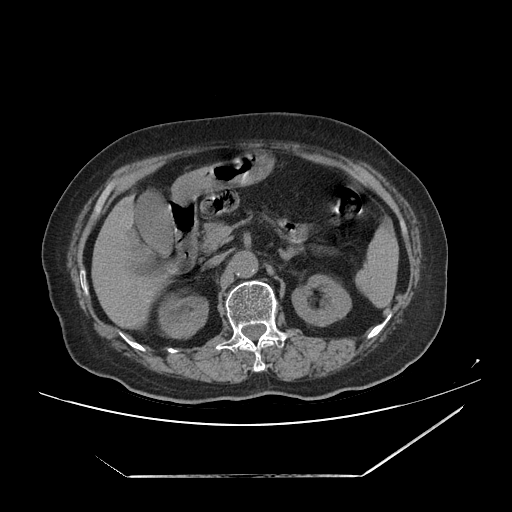
CT, abdomen/pelvis; axial view; acquired on SOMATOM Force
Boxes: x1 y1 x2 y2 (pixel coords, space-separated).
Organ bounding boxes:
- aorta: 230 251 257 277
- liver: 91 194 176 329
- pancreas: 198 222 319 252
- right kidney: 157 293 208 338
- gall bladder: 135 189 172 254
- inferior vena cava: 206 253 225 266
- left kidney: 291 274 351 326
- duodenum: 168 200 197 270
- stomach: 172 150 274 200
- left adrenal gland: 279 249 294 260
- spleen: 354 218 399 308